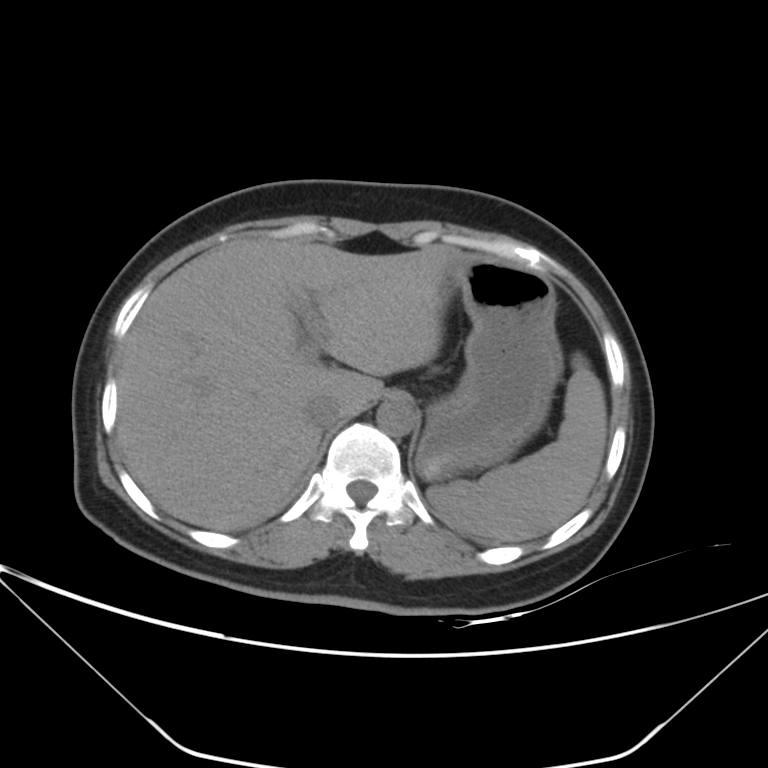
CT abdomen. axial plane, index 71
Boxes: x1 y1 x2 y2 (pixel coords, space-separated). Labeled organs on this slice: spleen at 426 353 606 542, liver at 116 239 471 531, stomach at 415 258 562 479, aorta at 376 398 416 435, inferior vena cava at 305 395 342 429.